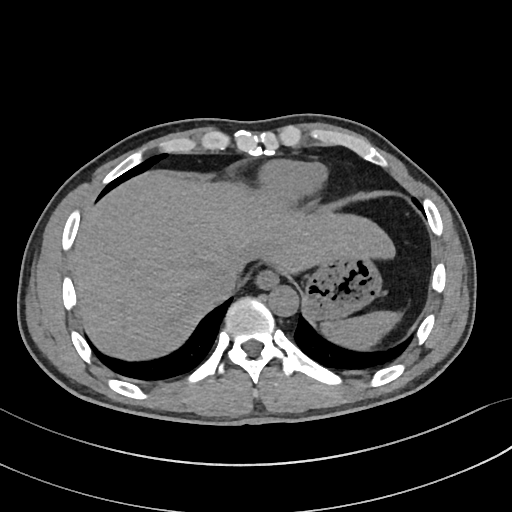 Computed tomography, abdomen — Axial slice 212/228
Bounding boxes as [x1, y1, x2, y2] in pixel coordinates.
spleen: [321, 311, 401, 349]
esophagus: [256, 270, 279, 289]
liver: [73, 170, 394, 359]
stomach: [304, 257, 382, 320]
aorta: [269, 286, 298, 316]
inferior vena cava: [203, 265, 239, 300]